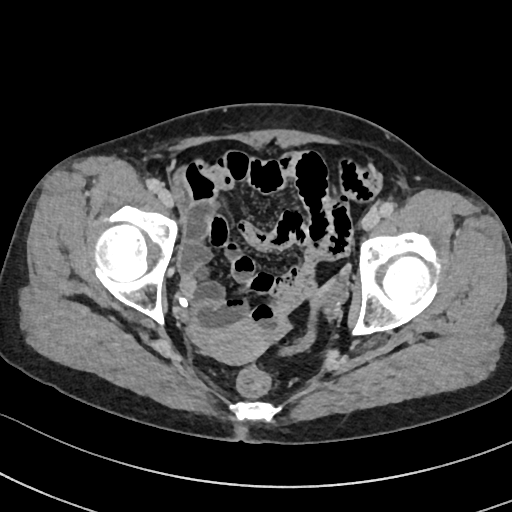
CT abdomen — axial plane, index 28 — 15 organs annotated in this scan (a whole-scan count: organs this slice does not pass through have no box)
Box edges are left/top/right/bottom in pixels.
Organ bounding boxes:
- prostate/uterus: left=201, top=323, right=268, bottom=364